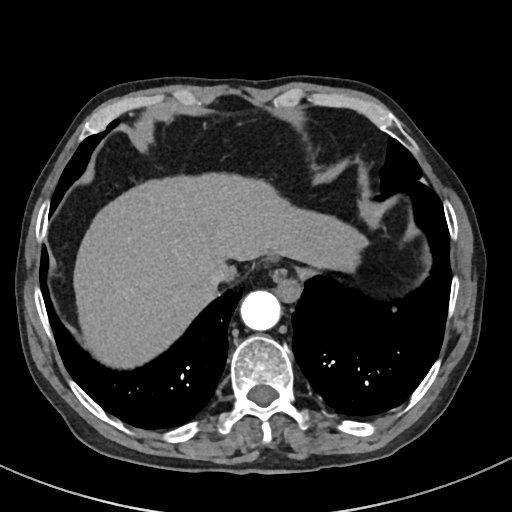 Computed tomography, abdomen. axial view. 512x512 px
{"organs":{"inferior vena cava":[208,264,230,286],"liver":[75,175,365,367],"aorta":[241,290,281,330],"esophagus":[271,269,309,302]}}